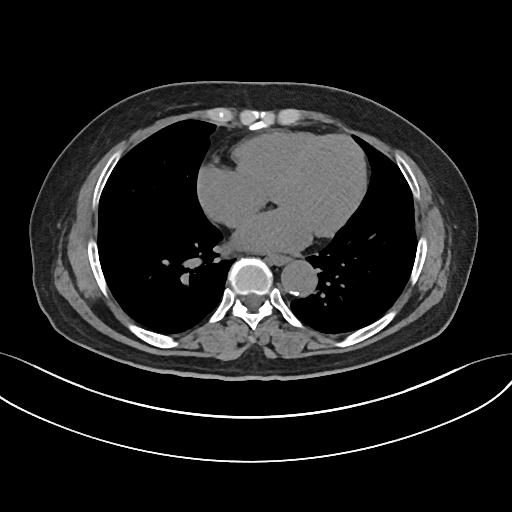
Abdominal CT; this slice is in the lower chest, just above the liver; Axial slice 207/207; soft-tissue window, W/L 400/40; 15 organs annotated in this scan (counted over the whole 3D scan, not this slice; an organ is boxed only where this slice passes through it)
Of the structures in the chest, this dataset labels only the esophagus, the aorta and the inferior vena cava; the heart and lungs have no label.
Boxes: x1:y1:x2:y2 in pixels.
Organ bounding boxes:
- esophagus: 268:254:288:264
- aorta: 281:259:316:295